Chest-level slice from an abdominal CT that extends up into the chest. axial plane, index 234. 15 organs annotated in this scan (that count is for the whole scan; organs this slice misses have no box)
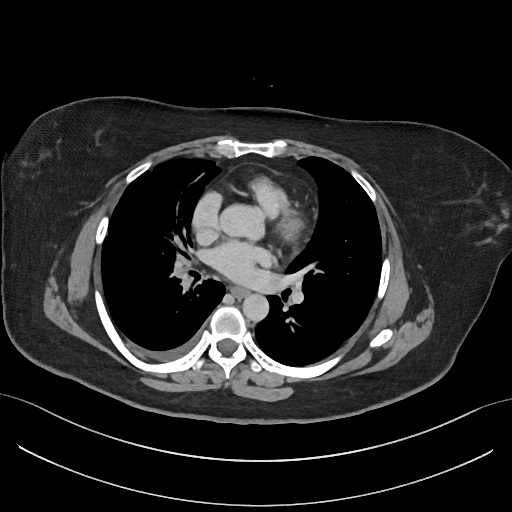 At this level of the chest no structure but the esophagus and the aorta has a label in this dataset, and those two are boxed only where they are labeled.
<organs><organ name="esophagus" x1="230" y1="287" x2="248" y2="297"/><organ name="aorta" x1="221" y1="204" x2="263" y2="236"/><organ name="aorta" x1="242" y1="293" x2="268" y2="320"/></organs>